Computed tomography, abdomen · axial view
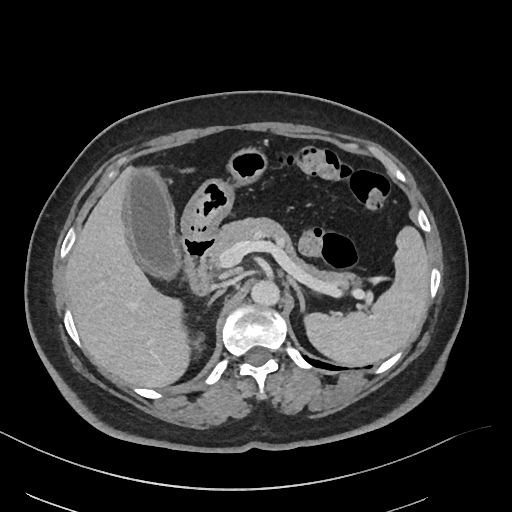
Boxes: x1:y1:x2:y2 in pixels.
gall bladder: 124:167:178:277
left adrenal gland: 287:277:305:311
pancreas: 205:217:358:289
right kidney: 193:332:203:351
inferior vena cava: 213:280:234:290
right adrenal gland: 208:290:224:304
duodenum: 182:237:213:295
spleen: 304:226:429:366
aorta: 251:280:279:306
stomach: 147:147:268:238
liver: 65:166:190:387